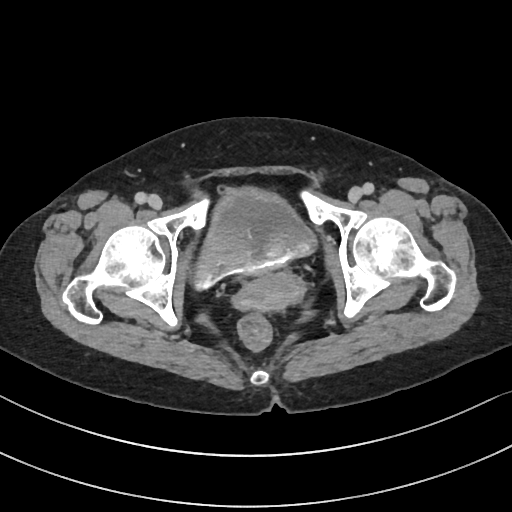

Computed tomography, abdomen — axial view — soft-tissue window — acquired on SOMATOM Force
Each box given as x1,y1,x2,y2.
Organ bounding boxes:
- prostate/uterus: x1=236, y1=272, x2=303, y2=310
- bladder: x1=196, y1=189, x2=314, y2=288